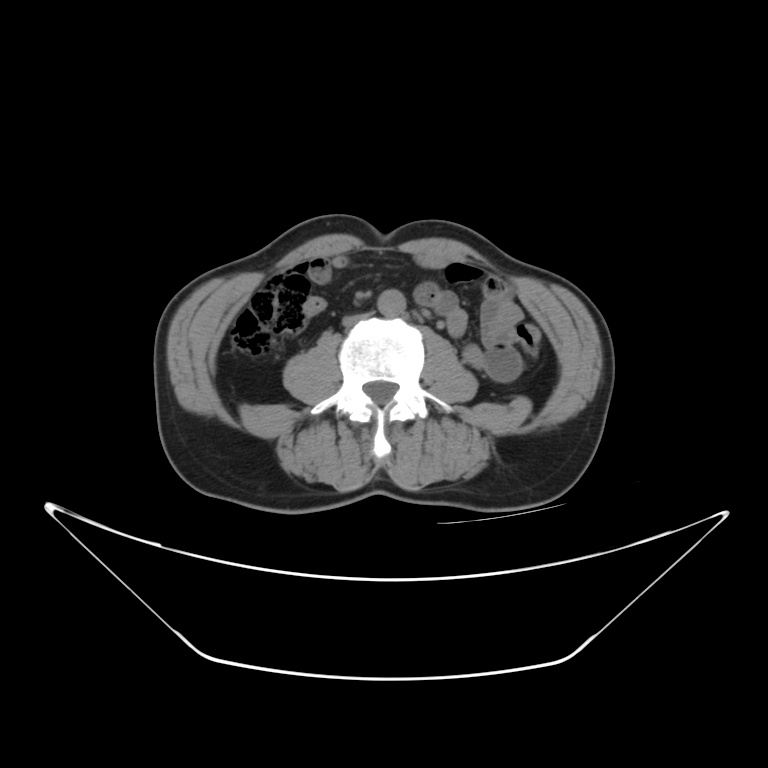 Computed tomography, abdomen — axial plane, index 46 — soft-tissue window (W 400 / L 40) — 59-year-old male patient — Brilliance16 scanner
{"organs":{"aorta":[378,289,404,315],"inferior vena cava":[342,311,372,325]}}